MRI, abdomen — axial view — 1st–99th percentile window — 320x260 px
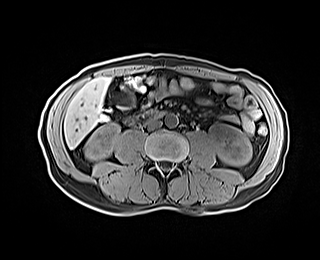 Bounding boxes as [x1, y1, x2, y2] in pixel coordinates. 7 labeled organs on this slice — left kidney at [209, 123, 251, 165]; aorta at [165, 114, 178, 127]; duodenum at [124, 109, 165, 126]; right kidney at [84, 123, 120, 160]; liver at [64, 77, 110, 148]; inferior vena cava at [147, 118, 161, 129]; gall bladder at [116, 92, 136, 108].